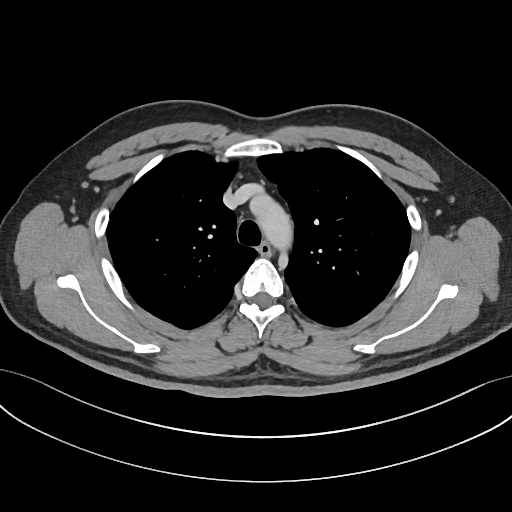
Abdominal CT reaching into the chest; this slice is in the chest. axial view. soft-tissue window. 512x512 px
On a slice this high in the chest, this dataset labels only the esophagus and the aorta, and each is boxed only where it is labeled; the heart, lungs and other chest structures are not labeled.
Boxes are (x1, y1, x2, y2) in pixels.
Organ bounding boxes:
- esophagus: (257, 242, 271, 255)
- aorta: (250, 195, 292, 249)